Abdominal CT; axial view; soft-tissue window (W 400 / L 40)
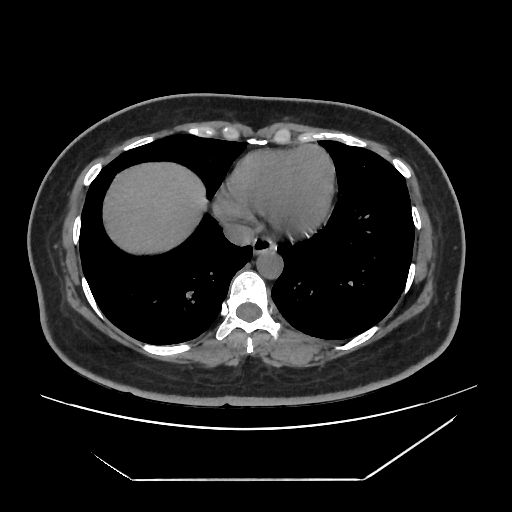

Boxes are (x1, y1, x2, y2) in pixels.
inferior vena cava: (223, 221, 256, 246)
aorta: (256, 249, 282, 277)
esophagus: (253, 236, 275, 253)
liver: (100, 162, 205, 254)